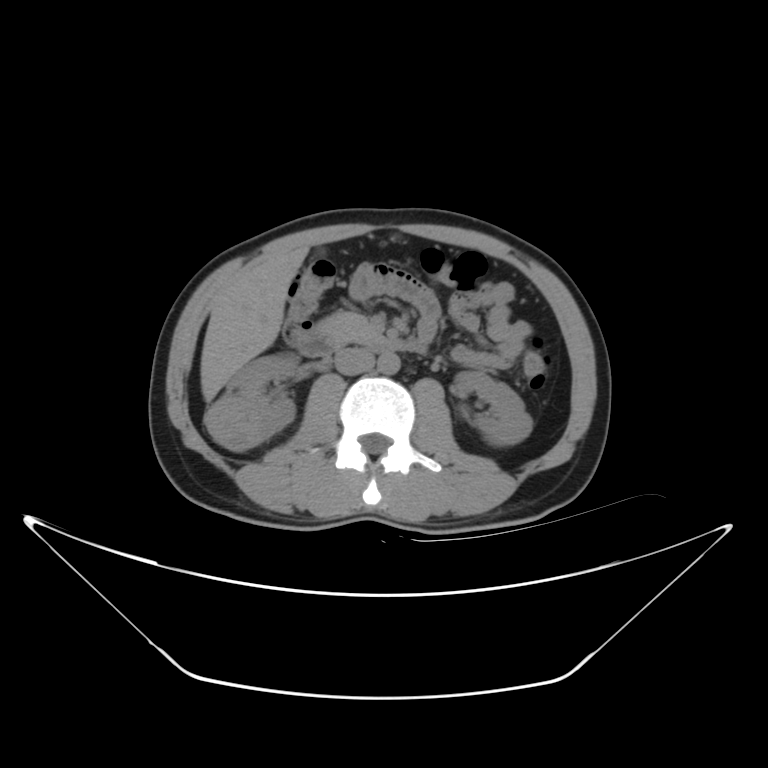
CT, abdomen/pelvis; axial view; soft-tissue window (W 400 / L 40); 768x768 px
Boxes are (x1, y1, x2, y2) in pixels.
Organ bounding boxes:
- right kidney: (203, 352, 300, 448)
- left kidney: (452, 373, 531, 441)
- liver: (201, 247, 309, 401)
- aorta: (376, 353, 399, 376)
- inferior vena cava: (333, 346, 373, 373)
- pancreas: (314, 312, 384, 342)
- duodenum: (298, 328, 423, 356)